Computed tomography, abdomen · axial plane, index 45 · soft-tissue window · 512x512 px
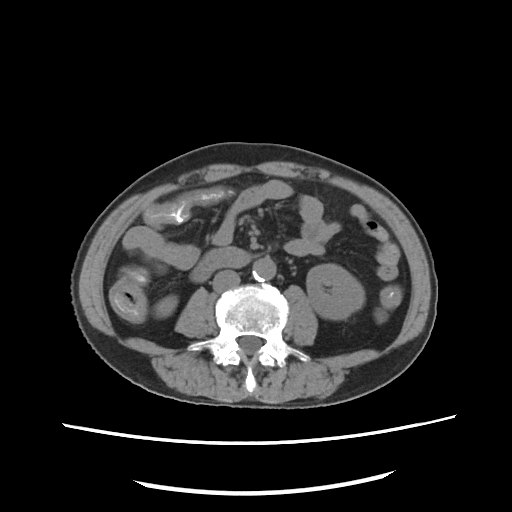 Each box given as x1,y1,x2,y2.
right kidney: x1=153, y1=295, x2=177, y2=318
left kidney: x1=306, y1=264, x2=364, y2=319
aorta: x1=252, y1=257, x2=276, y2=281
inferior vena cava: x1=212, y1=270, x2=240, y2=292
duodenum: x1=191, y1=247, x2=251, y2=281